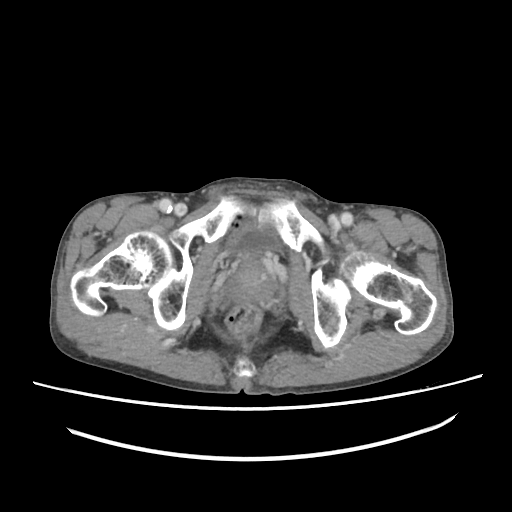

Abdominal CT. axial plane, index 8. abdomen soft-tissue window. Aquilion ONE scanner
Each box given as x1,y1,x2,y2.
Organ bounding boxes:
- bladder: x1=227, y1=223, x2=279, y2=255
- prostate/uterus: x1=228, y1=258, x2=274, y2=303